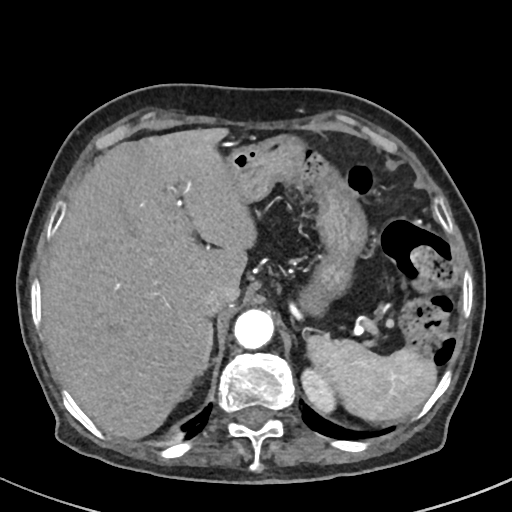
CT abdomen · Axial slice 162/279 · soft-tissue window · 15 organs annotated in this scan (that count is for the whole scan; organs this slice misses have no box)
Coordinates as <box>x1,y1,x2,y2</box> in pixels.
Organ bounding boxes:
- spleen: <box>306,335,436,422</box>
- left kidney: <box>300,370,336,415</box>
- liver: <box>42,129,254,439</box>
- stomach: <box>223,137,364,313</box>
- aorta: <box>235,307,274,348</box>
- inferior vena cava: <box>203,282,239,316</box>
- right adrenal gland: <box>199,319,214,373</box>